CT, abdomen/pelvis — axial view — abdomen soft-tissue window — acquired on Brilliance16 — 15 organs annotated in this scan (a whole-scan count: organs this slice does not pass through have no box)
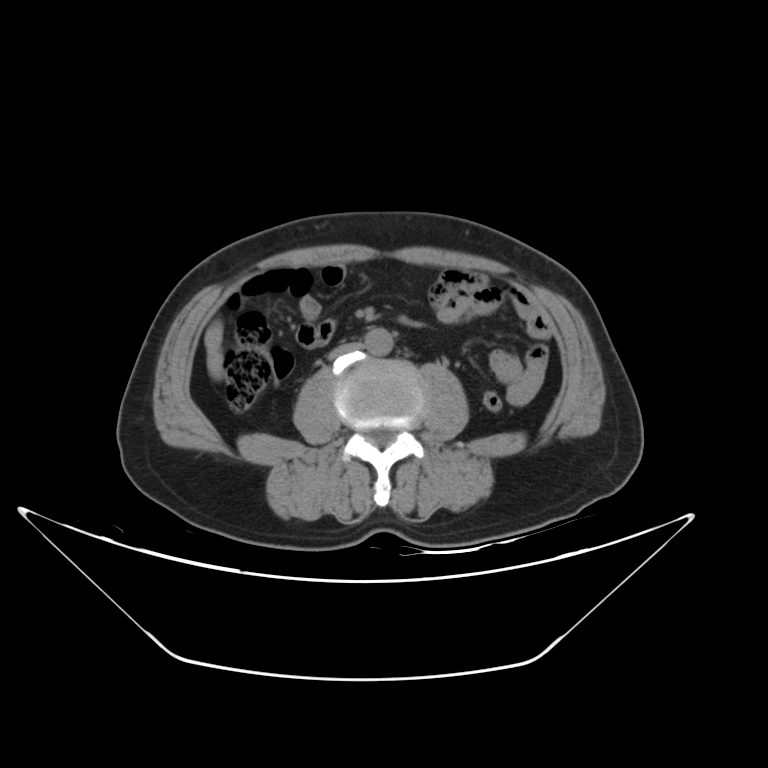

Coordinates as <box>x1,y1,x2,y2</box> in pixels.
Organ bounding boxes:
- aorta: <box>365,329,392,356</box>
- inferior vena cava: <box>327,343,366,359</box>